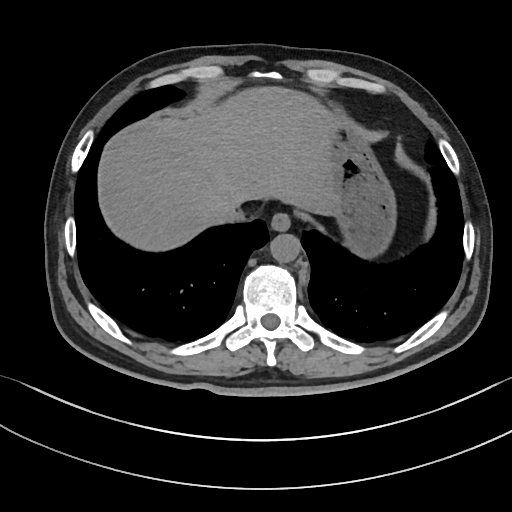 CT, abdomen/pelvis · Axial slice 204/231 · 512x512 px
{"organs":{"liver":[98,87,338,249],"stomach":[333,128,393,254],"esophagus":[270,214,290,231],"aorta":[270,234,301,263],"inferior vena cava":[215,199,243,220]}}